CT, abdomen/pelvis · Axial slice 181/191 · soft-tissue window (W 400 / L 40) · 512x512 px
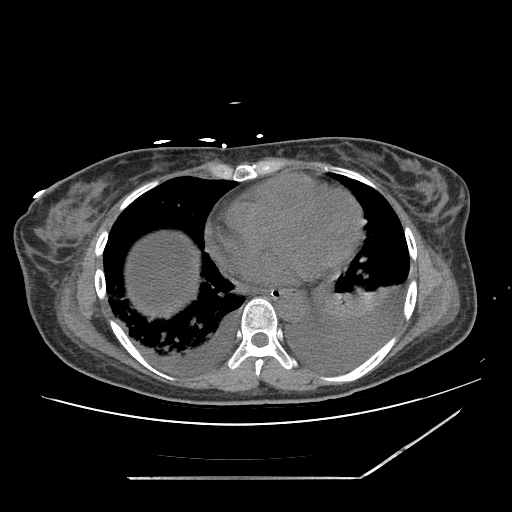 Bounding boxes as [x1, y1, x2, y2] in pixel coordinates.
Organ bounding boxes:
- aorta: [277, 293, 305, 320]
- stomach: [279, 292, 293, 299]
- esophagus: [256, 288, 291, 298]